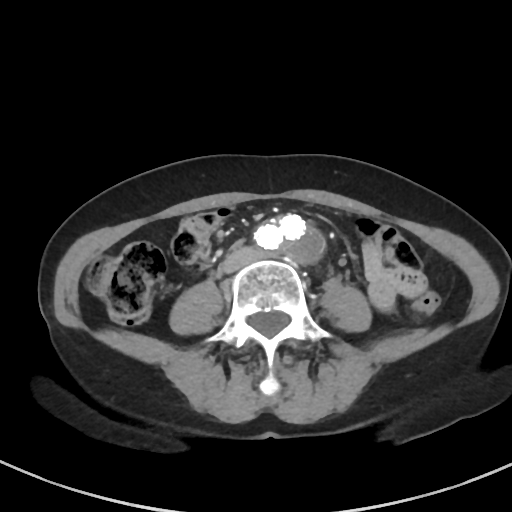

CT abdomen. axial view. W/L 400/40 HU. scan has 15 labeled organs (a whole-scan count: organs this slice does not pass through have no box)
Bounding boxes as [x1, y1, x2, y2] in pixel coordinates. 1 labeled organ on this slice — aorta at [253, 212, 325, 266].